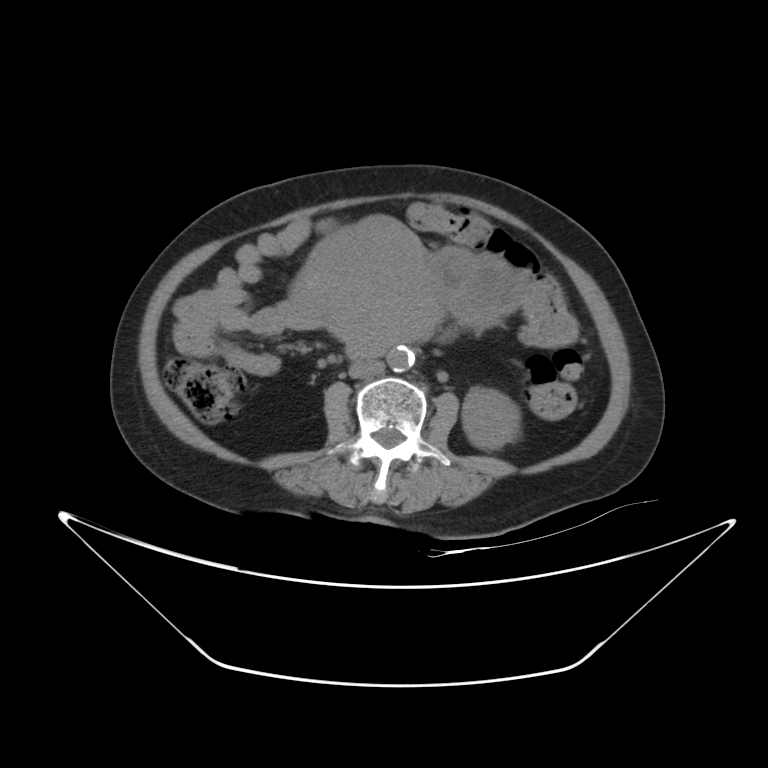 Computed tomography, abdomen. axial view. soft-tissue window (W 400 / L 40)
<organs><organ name="left kidney" x1="462" y1="387" x2="518" y2="450"/><organ name="stomach" x1="274" y1="219" x2="519" y2="353"/><organ name="aorta" x1="387" y1="348" x2="414" y2="372"/><organ name="inferior vena cava" x1="348" y1="361" x2="385" y2="379"/><organ name="duodenum" x1="348" y1="350" x2="387" y2="362"/></organs>